Computed tomography, abdomen — axial plane, index 288 — soft-tissue window — 512x512 px
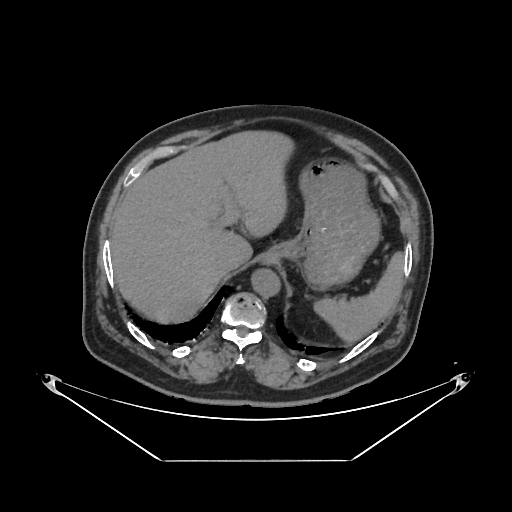
Bounding boxes in pixels, one row per box: x1, y1 is the top-left corner and x2, y2 the bottom-right.
| organ | x1 | y1 | x2 | y2 |
|---|---|---|---|---|
| spleen | 314 | 251 | 404 | 341 |
| liver | 110 | 131 | 291 | 322 |
| stomach | 264 | 162 | 379 | 289 |
| aorta | 250 | 268 | 279 | 295 |
| inferior vena cava | 215 | 255 | 238 | 274 |